CT, abdomen/pelvis; axial view; W/L 400/40 HU; 512x512 px
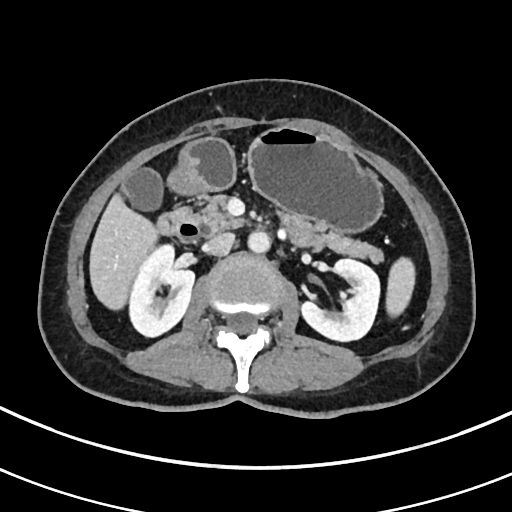
Boxes: x1:y1:x2:y2 in pixels.
Organ bounding boxes:
- aorta: 247:230:270:252
- spleen: 385:257:416:317
- duodenum: 154:209:200:243
- pancreas: 195:196:381:261
- left kidney: 302:259:380:340
- gall bladder: 120:168:160:208
- liver: 90:195:158:308
- right kidney: 128:244:194:336
- inferior vena cava: 203:232:235:254
- stomach: 169:126:382:233